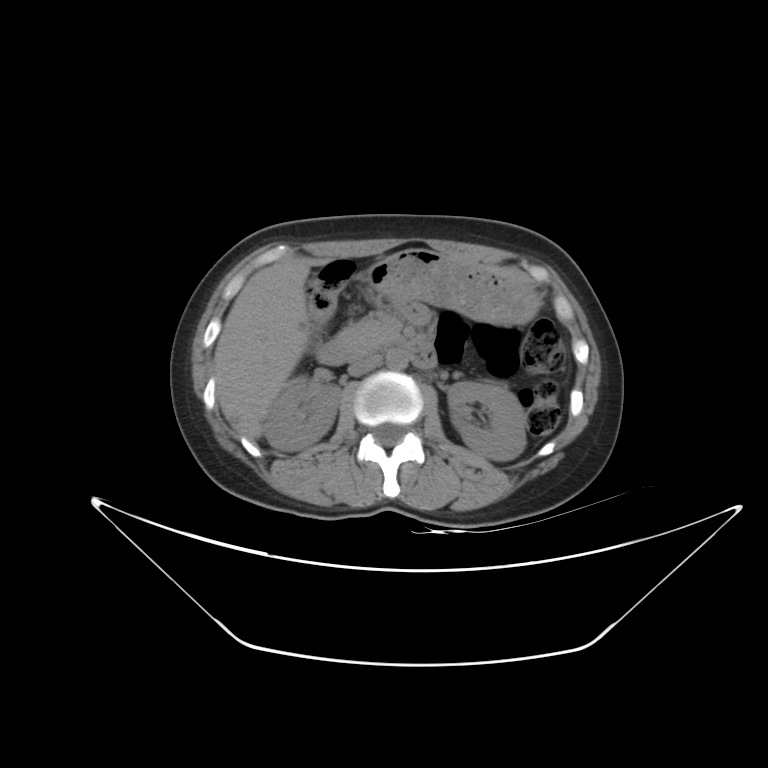
Abdominal CT. axial view
Each box given as x1,y1,x2,y2.
Organ bounding boxes:
- right kidney: x1=264, y1=375, x2=341, y2=451
- left kidney: x1=447, y1=381, x2=526, y2=461
- liver: x1=214, y1=263, x2=310, y2=439
- stomach: x1=366, y1=249, x2=540, y2=324
- aorta: x1=386, y1=349, x2=408, y2=370
- inferior vena cava: x1=348, y1=354, x2=381, y2=376
- pancreas: x1=335, y1=320, x2=399, y2=354
- duodenum: x1=316, y1=339, x2=436, y2=368